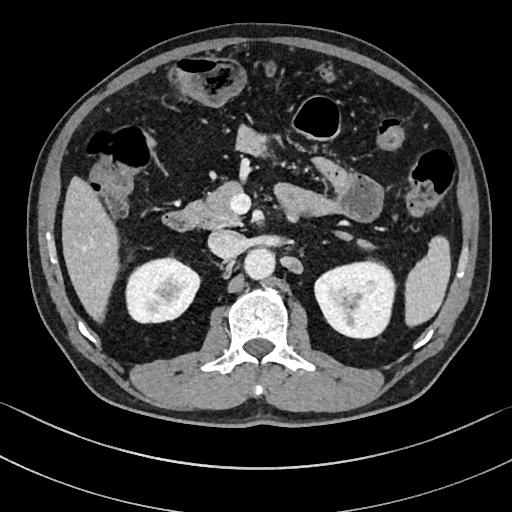
CT abdomen — axial view — W/L 400/40 HU
Bounding boxes as [x1, y1, x2, y2] in pixel coordinates.
Organ bounding boxes:
- spleen: [405, 236, 450, 326]
- right kidney: [125, 258, 199, 322]
- left kidney: [315, 261, 395, 337]
- liver: [62, 176, 119, 322]
- aorta: [244, 248, 275, 279]
- inferior vena cava: [208, 230, 246, 258]
- pancreas: [185, 181, 373, 248]
- duodenum: [163, 210, 199, 230]